Computed tomography, abdomen — axial view — abdomen soft-tissue window — acquired on SOMATOM Force
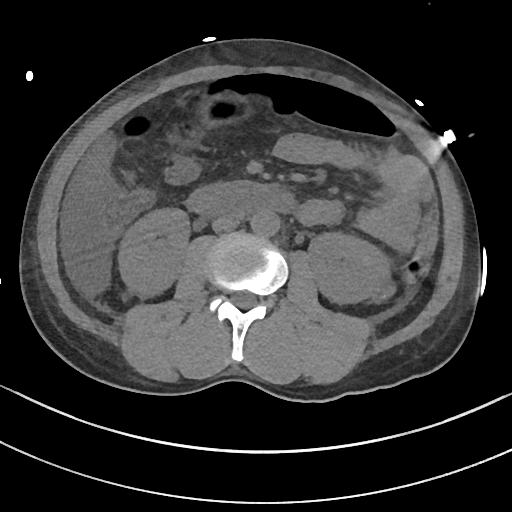 Bounding boxes as [x1, y1, x2, y2] in pixel coordinates. 7 labeled organs on this slice — right kidney at [116, 208, 189, 297]; left kidney at [308, 231, 397, 305]; liver at [82, 137, 115, 193]; stomach at [187, 92, 262, 127]; aorta at [251, 210, 280, 237]; inferior vena cava at [212, 216, 240, 231]; duodenum at [184, 180, 298, 217].